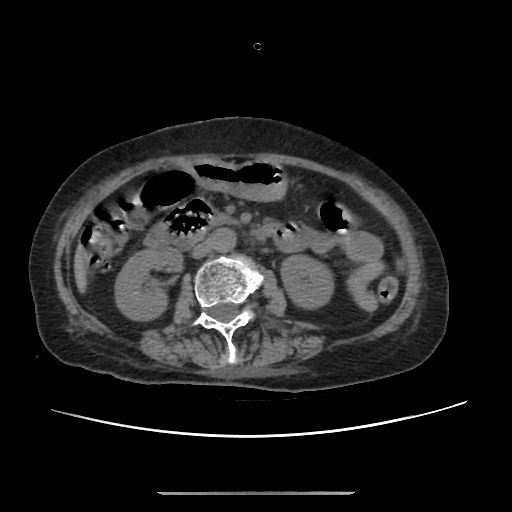
Abdominal CT; Axial slice 214/353; abdomen soft-tissue window
{"organs":{"inferior vena cava":[192,239,213,258],"aorta":[212,228,236,253],"right kidney":[115,246,181,321],"pancreas":[212,212,237,225],"stomach":[188,160,288,201],"left kidney":[280,255,334,309],"liver":[73,246,86,294],"duodenum":[144,199,211,247]}}